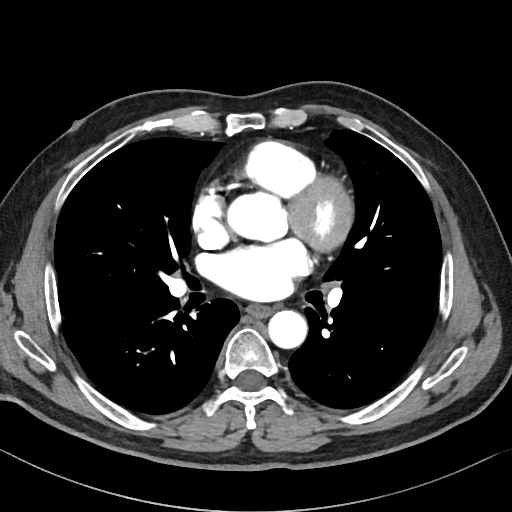
Abdominal CT; this slice is in the lower chest, just above the liver — axial view — soft-tissue window (W 400 / L 40) — 512x512 px
Of the structures in the chest, this dataset labels only the esophagus, the aorta and the inferior vena cava; the heart and lungs have no label.
<organs><organ name="aorta" x1="226" y1="193" x2="284" y2="240"/><organ name="aorta" x1="267" y1="310" x2="307" y2="349"/><organ name="esophagus" x1="247" y1="304" x2="271" y2="317"/></organs>